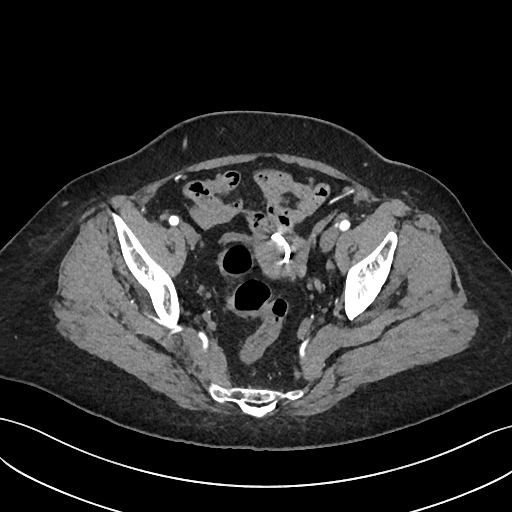 Abdominal CT; axial view; abdomen soft-tissue window; 512x512 px
Organ boxes in pixel coordinates; each row gives the top-left (x1, y1) and bottom-right (x2, y2) corners.
| organ | x1 | y1 | x2 | y2 |
|---|---|---|---|---|
| prostate/uterus | 254 | 236 | 305 | 275 |